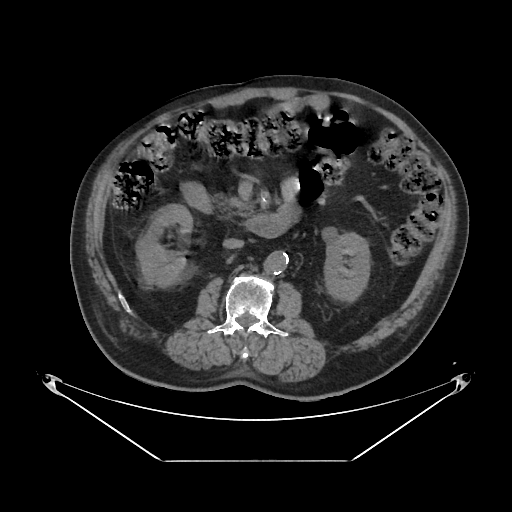 CT abdomen · axial view · W/L 400/40 HU
Boxes: x1:y1:x2:y2 in pixels.
right kidney: 136:205:192:287
left kidney: 324:232:370:301
aorta: 264:251:288:274
inferior vena cava: 223:238:243:248
pancreas: 215:195:248:220
duodenum: 183:184:289:238